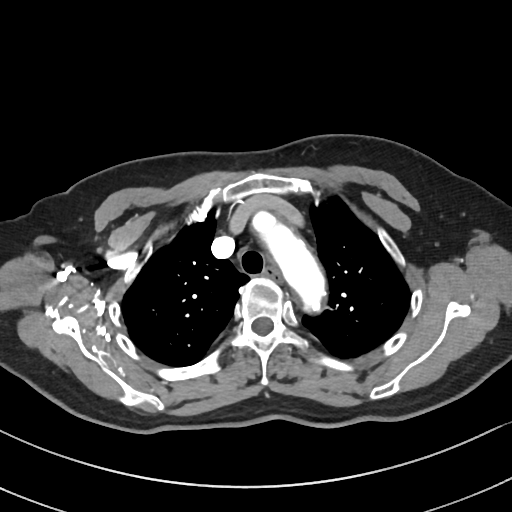

Abdominal CT reaching into the chest; this slice is in the chest. axial view. scan has 15 labeled organs (that count is for the whole scan; organs this slice misses have no box)
On a slice this high in the chest, this dataset labels only the esophagus and the aorta, and each is boxed only where it is labeled; the heart, lungs and other chest structures are not labeled.
{"organs":{"esophagus":[261,267,282,284],"aorta":[247,208,327,313]}}